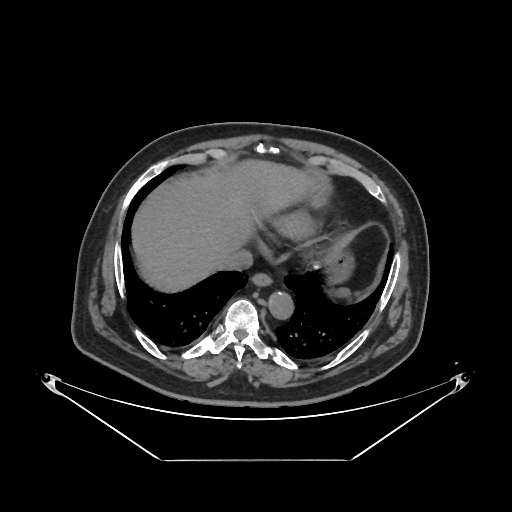
CT, abdomen/pelvis — axial view — soft-tissue window (W 400 / L 40)
Coordinates as <box>x1,y1,x2,y2</box> in pixels.
Organ bounding boxes:
- spleen: <box>340,289,346,292</box>
- esophagus: <box>250,273,272,287</box>
- liver: <box>133,161,318,290</box>
- stomach: <box>335,262,349,281</box>
- aorta: <box>268,292,293,320</box>
- inferior vena cava: <box>222,249,253,270</box>